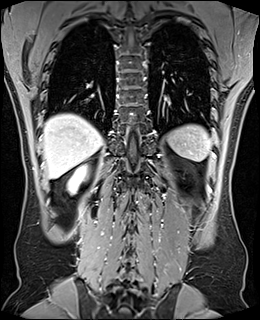
Abdominal MR · coronal view · 1st–99th percentile window
<organs><organ name="spleen" x1="167" y1="124" x2="212" y2="161"/><organ name="right kidney" x1="68" y1="165" x2="87" y2="193"/><organ name="liver" x1="43" y1="114" x2="102" y2="178"/></organs>